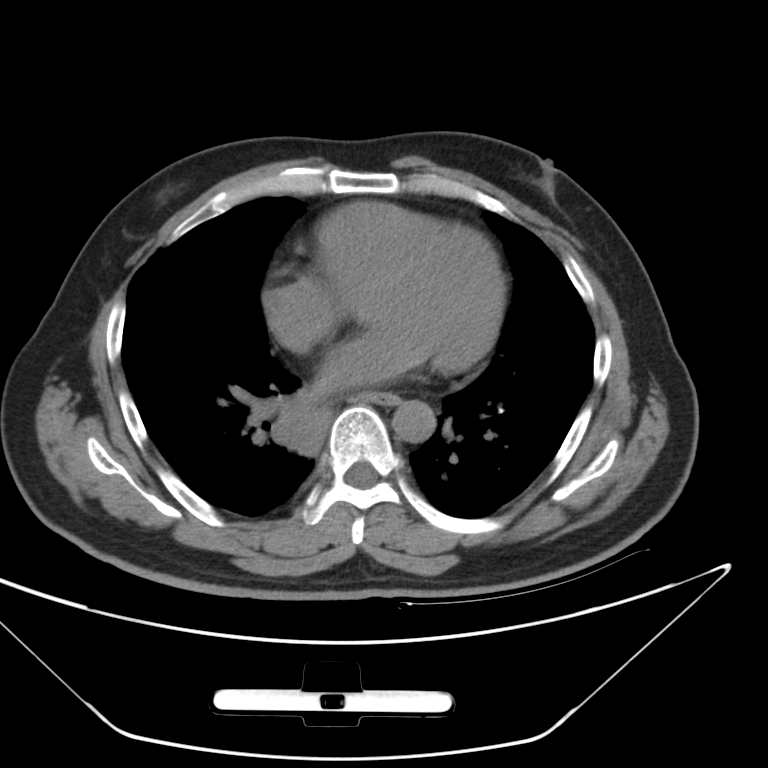
Lower-chest slice from an abdominal CT, just above the liver and spleen. axial view. 768x768 px. 50-year-old male patient. scan has 14 labeled organs (counted over the whole 3D scan, not this slice; an organ is boxed only where this slice passes through it)
Of the structures in the chest, this dataset labels only the esophagus, the aorta and the inferior vena cava; the heart and lungs have no label.
Bounding boxes in pixels, one row per box: x1, y1 is the top-left corner and x2, y2 the bottom-right.
| organ | x1 | y1 | x2 | y2 |
|---|---|---|---|---|
| esophagus | 351 | 392 | 398 | 406 |
| aorta | 395 | 399 | 437 | 441 |